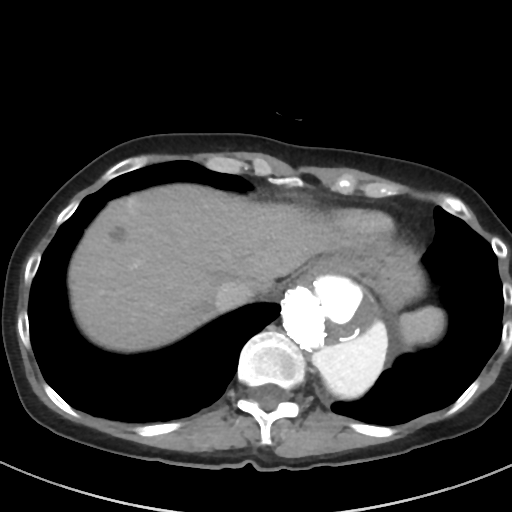 CT, abdomen/pelvis · axial view · abdomen soft-tissue window · 512x512 px · SOMATOM Force scanner
Boxes: x1:y1:x2:y2 in pixels.
inferior vena cava: 214:280:255:311
aorta: 279:272:387:398
liver: 68:183:338:352
esophagus: 311:254:341:271
spleen: 399:306:444:346
stomach: 340:246:424:309